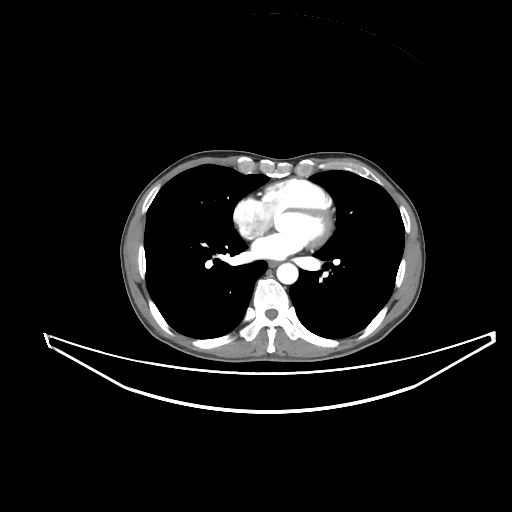

CT of the abdomen extending into the chest, slice through the chest · axial plane, index 95 · W/L 400/40 HU · 512x512 px · 52-year-old male patient · Aquilion ONE scanner · scan has 15 labeled organs (counted over the whole 3D scan, not this slice; an organ is boxed only where this slice passes through it)
At this level of the chest this dataset labels only the esophagus and the aorta, and each is boxed only where it is labeled; the heart and lungs are never labeled.
Boxes are (x1, y1, x2, y2) in pixels.
esophagus: (268, 261, 277, 267)
aorta: (276, 263, 298, 284)